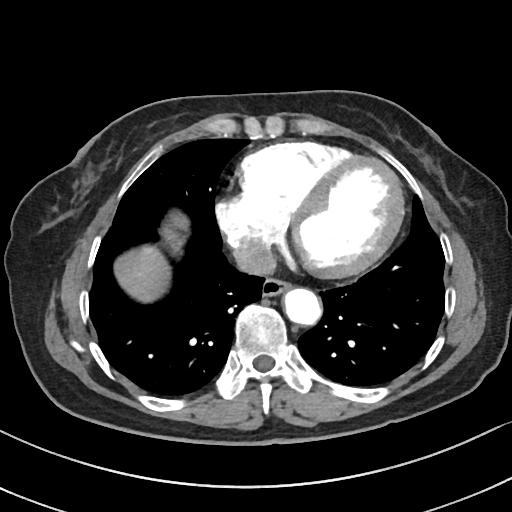

CT abdomen · axial view · soft-tissue window · 512x512 px · SOMATOM Force scanner
Boxes: x1 y1 x2 y2 (pixel coords, space-separated). The annotated organs in this slice are: esophagus at 262 278 290 295, liver at 115 210 186 302, aorta at 282 287 320 324, inferior vena cava at 233 243 274 276.